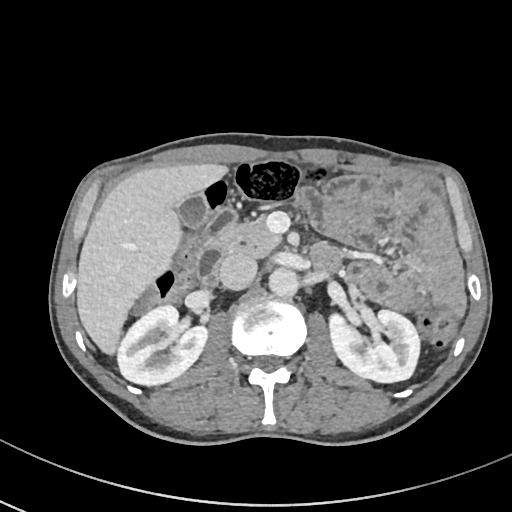

CT, abdomen/pelvis. axial plane, index 145. 512x512 px
{"organs":{"pancreas":[220,212,280,256],"inferior vena cava":[217,252,256,289],"duodenum":[192,207,236,287],"liver":[76,162,230,357],"left kidney":[327,310,419,383],"right kidney":[118,306,209,386],"gall bladder":[175,192,209,228],"aorta":[269,268,300,298]}}